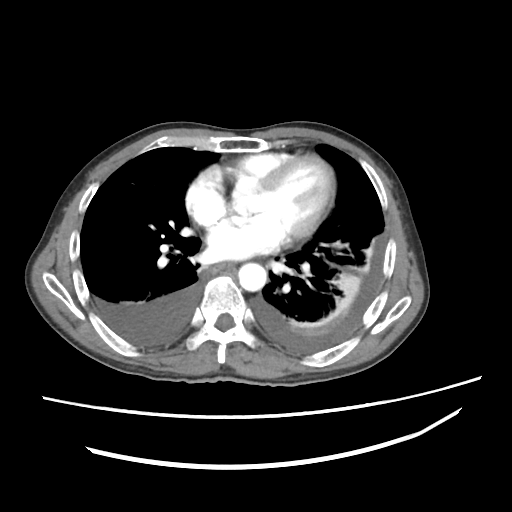 CT of the abdomen reaching into the lower chest, slice just above the liver and spleen · axial view · soft-tissue window, W/L 400/40 · 512x512 px · 50-year-old male patient
The heart and lungs are never labeled in this dataset, so they have no box on this slice.
Coordinates as <box>x1,y1,x2,y2</box> in pixels.
Organ bounding boxes:
- esophagus: <box>209,262,234,275</box>
- aorta: <box>237,263,269,291</box>